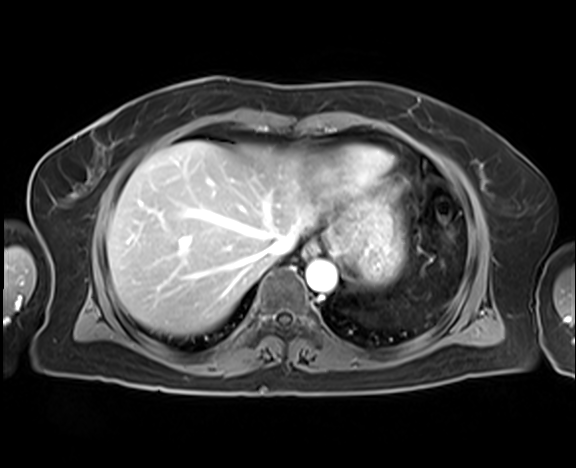

Magnetic resonance imaging, abdomen — axial view — Prisma scanner
Boxes: x1:y1:x2:y2 in pixels. 5 labeled organs on this slice — esophagus at 304:242:319:256; liver at 106:141:373:335; stomach at 339:198:404:287; aorta at 305:260:336:292; inferior vena cava at 265:234:296:258.